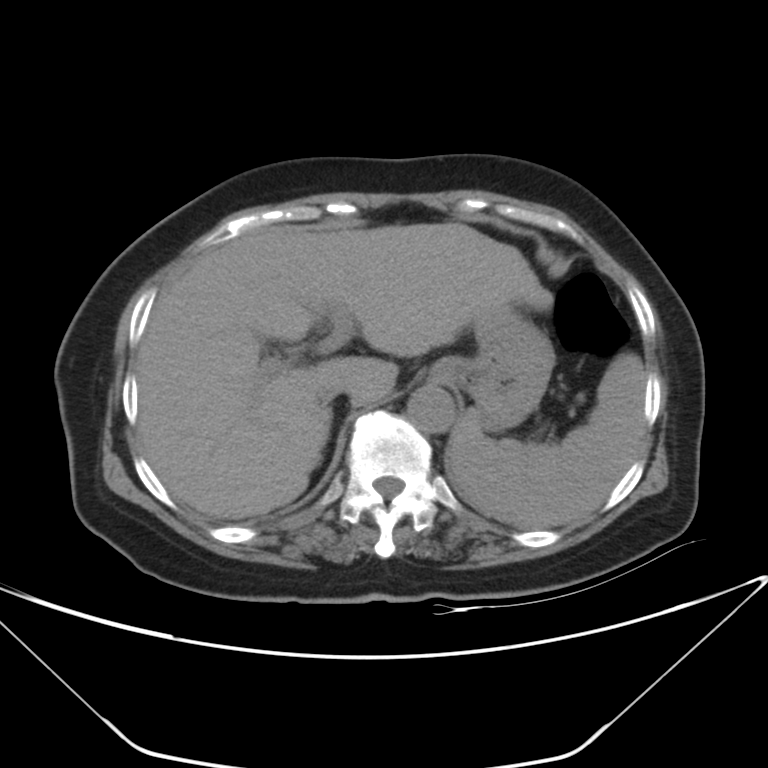
Computed tomography, abdomen. axial view. 768x768 px. 66-year-old female patient. scan has 14 labeled organs (counted over the whole 3D scan, not this slice; an organ is boxed only where this slice passes through it)
<organs><organ name="spleen" x1="448" y1="352" x2="646" y2="529"/><organ name="liver" x1="137" y1="223" x2="552" y2="519"/><organ name="stomach" x1="431" y1="306" x2="554" y2="431"/><organ name="aorta" x1="407" y1="385" x2="455" y2="433"/><organ name="inferior vena cava" x1="318" y1="385" x2="347" y2="403"/></organs>